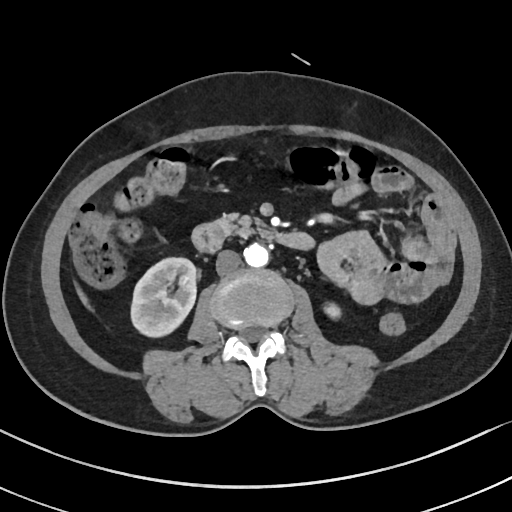 CT, abdomen/pelvis; axial plane, index 122; SOMATOM Force scanner
Organ boxes in pixel coordinates; each row gives the top-left (x1, y1) and bottom-right (x2, y2) corners.
| organ | x1 | y1 | x2 | y2 |
|---|---|---|---|---|
| right kidney | 130 | 257 | 195 | 338 |
| left kidney | 324 | 302 | 340 | 317 |
| liver | 73 | 283 | 85 | 306 |
| aorta | 245 | 243 | 268 | 267 |
| inferior vena cava | 216 | 250 | 241 | 275 |
| pancreas | 210 | 213 | 271 | 237 |
| duodenum | 191 | 223 | 315 | 251 |